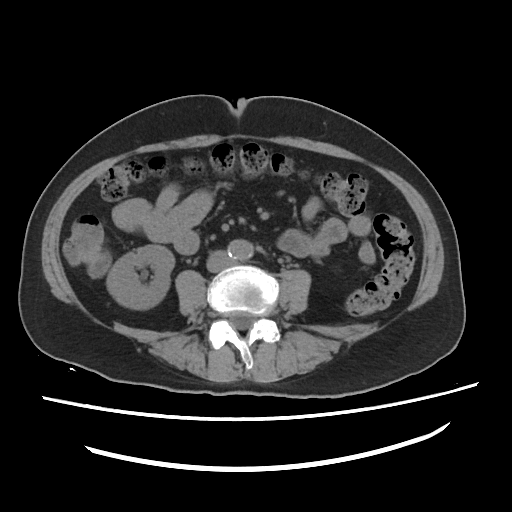
Computed tomography, abdomen · axial view · 512x512 px · 61-year-old female patient · Aquilion ONE scanner
Box edges are left/top/right/bottom in pixels. Labeled organs on this slice: right kidney at left=106, top=245, right=174, bottom=309, aorta at left=228, top=240, right=253, bottom=260, inferior vena cava at left=206, top=250, right=233, bottom=272.